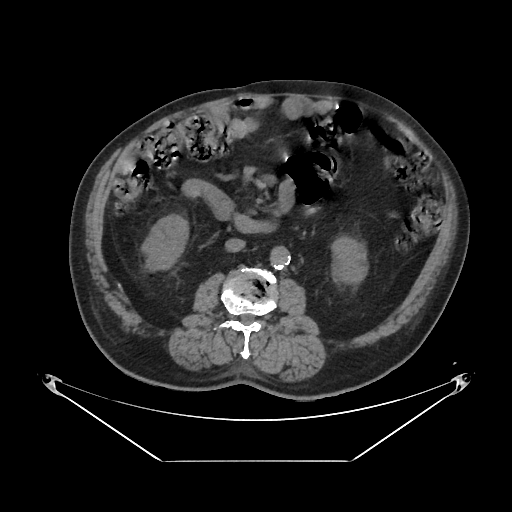 CT, abdomen/pelvis — axial view — 512x512 px — SOMATOM Force scanner — scan has 15 labeled organs (that count is for the whole scan; organs this slice misses have no box)
Boxes are (x1, y1, x2, y2) in pixels.
Organ bounding boxes:
- right kidney: (142, 215, 187, 268)
- left kidney: (332, 237, 366, 282)
- aorta: (270, 246, 290, 268)
- inferior vena cava: (225, 238, 245, 251)
- duodenum: (184, 180, 267, 232)